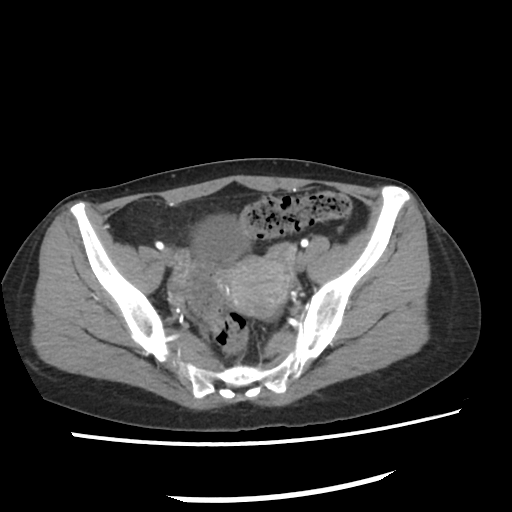
CT, abdomen/pelvis. Axial slice 25/124. soft-tissue window (W 400 / L 40)
Organ boxes in pixel coordinates; each row gives the top-left (x1, y1) and bottom-right (x2, y2) corners.
| organ | x1 | y1 | x2 | y2 |
|---|---|---|---|---|
| bladder | 192 | 217 | 249 | 262 |
| prostate/uterus | 227 | 256 | 292 | 316 |